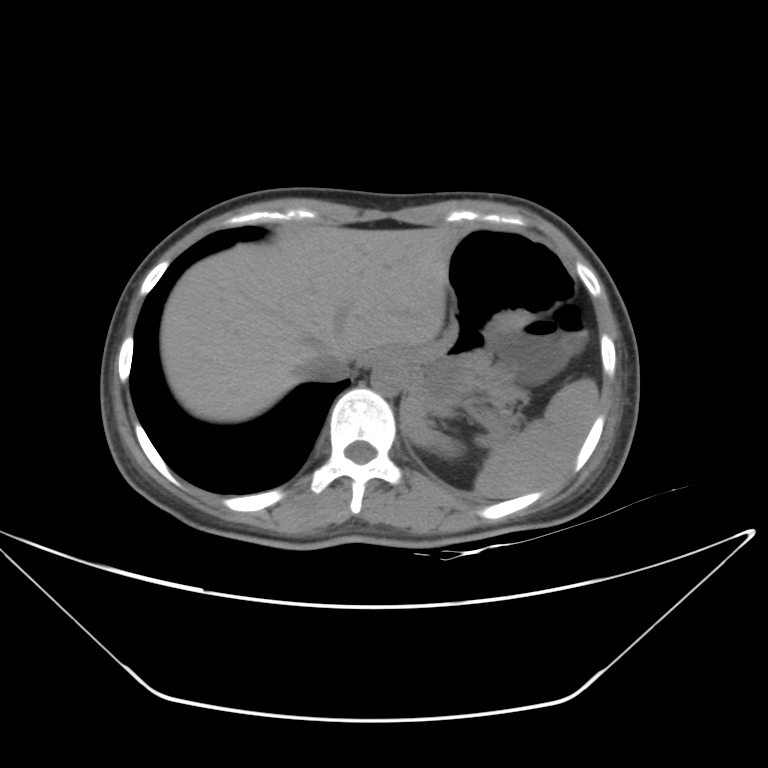

Computed tomography, abdomen · axial plane, index 82 · 768x768 px
<organs><organ name="spleen" x1="402" y1="378" x2="599" y2="498"/><organ name="esophagus" x1="365" y1="349" x2="395" y2="365"/><organ name="liver" x1="161" y1="223" x2="466" y2="421"/><organ name="stomach" x1="393" y1="226" x2="573" y2="414"/><organ name="aorta" x1="371" y1="361" x2="405" y2="396"/><organ name="inferior vena cava" x1="305" y1="349" x2="349" y2="380"/><organ name="pancreas" x1="485" y1="369" x2="524" y2="436"/></organs>